Abdominal CT reaching into the chest; this slice is in the chest — axial plane, index 105 — 512x512 px — Aquilion ONE scanner — scan has 14 labeled organs (that count is for the whole scan; organs this slice misses have no box)
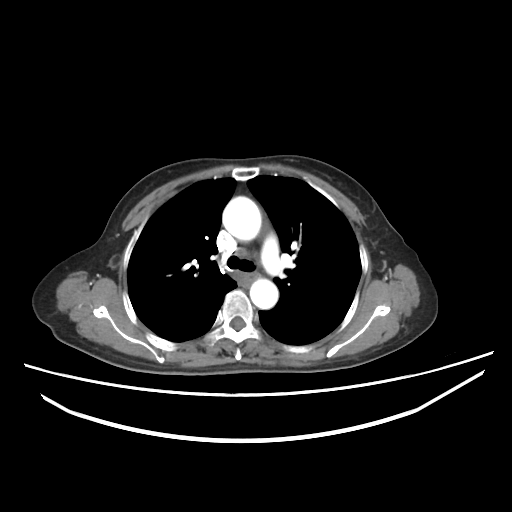

On a slice this high in the chest, this dataset labels only the esophagus and the aorta, and each is boxed only where it is labeled; the heart, lungs and other chest structures are not labeled.
Bounding boxes in pixels, one row per box: x1, y1 is the top-left corner and x2, y2 the bottom-right.
| organ | x1 | y1 | x2 | y2 |
|---|---|---|---|---|
| aorta | 224 | 197 | 261 | 242 |
| aorta | 249 | 277 | 278 | 307 |